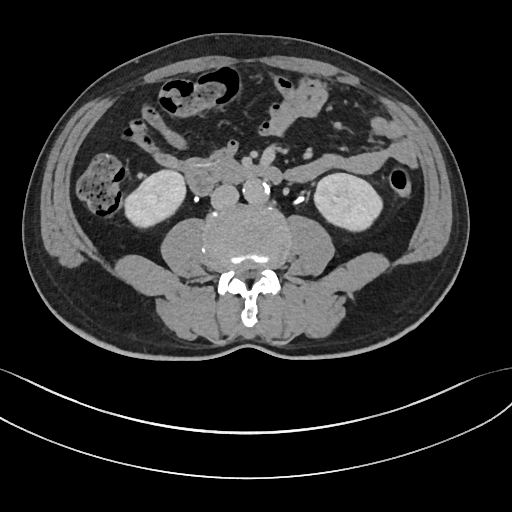
Abdominal CT; axial view; abdomen soft-tissue window
<organs><organ name="right kidney" x1="124" y1="170" x2="185" y2="227"/><organ name="left kidney" x1="314" y1="173" x2="382" y2="231"/><organ name="aorta" x1="242" y1="179" x2="269" y2="202"/><organ name="inferior vena cava" x1="211" y1="184" x2="239" y2="209"/><organ name="duodenum" x1="185" y1="162" x2="282" y2="195"/></organs>